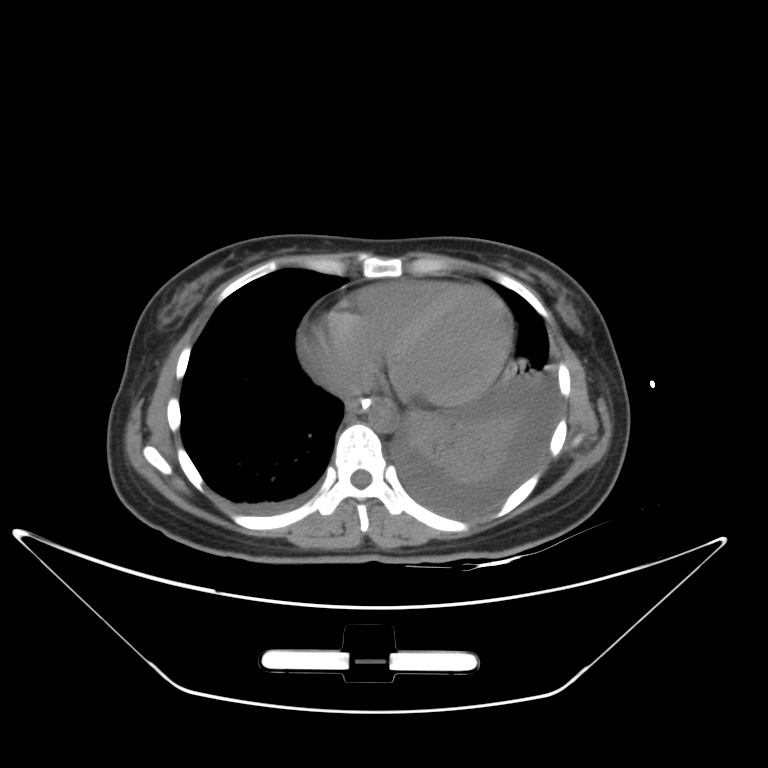
Lower-chest slice from an abdominal CT, just above the liver and spleen · Axial slice 91/95 · soft-tissue window
The heart and lungs are never labeled in this dataset, so they have no box on this slice.
<organs><organ name="esophagus" x1="344" y1="397" x2="369" y2="412"/><organ name="aorta" x1="367" y1="398" x2="398" y2="432"/></organs>